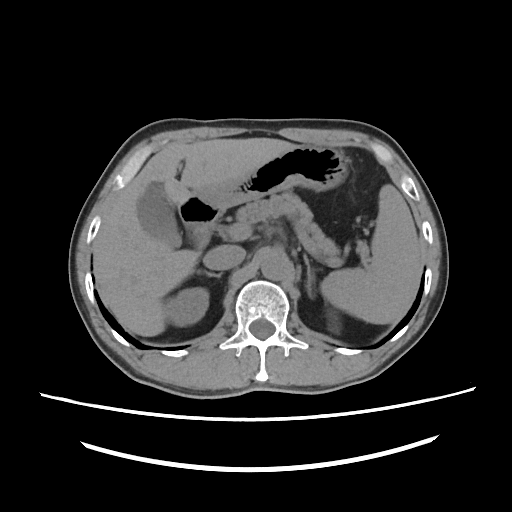
Computed tomography, abdomen — axial plane, index 68 — W/L 400/40 HU — 55-year-old male patient — Aquilion ONE scanner
Each box given as x1,y1,x2,y2.
spleen: x1=320, y1=184, x2=419, y2=323
right kidney: x1=163, y1=286, x2=208, y2=325
left kidney: x1=326, y1=309, x2=338, y2=323
gall bladder: x1=138, y1=183, x2=181, y2=247
liver: x1=94, y1=138, x2=300, y2=337
stomach: x1=189, y1=144, x2=350, y2=210
aorta: x1=260, y1=251, x2=288, y2=279
inferior vena cava: x1=203, y1=244, x2=246, y2=270
pancreas: x1=235, y1=191, x2=340, y2=259
right adrenal gland: x1=199, y1=271, x2=221, y2=277
left adrenal gland: x1=303, y1=255, x2=313, y2=297
duodenum: x1=178, y1=199, x2=222, y2=249